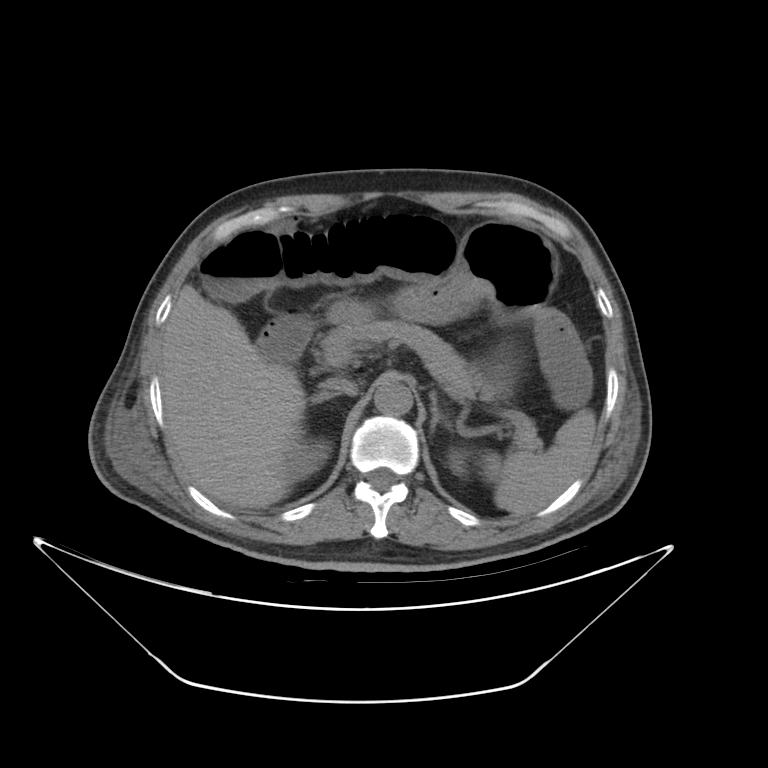
CT, abdomen/pelvis · axial view · W/L 400/40 HU · 66-year-old male patient · acquired on Brilliance16 · scan has 15 labeled organs (a whole-scan count: organs this slice does not pass through have no box)
Each box given as x1,y1,x2,y2.
Organ bounding boxes:
- spleen: x1=482, y1=412, x2=597, y2=515
- right kidney: x1=285, y1=436, x2=330, y2=477
- left kidney: x1=449, y1=448, x2=468, y2=477
- liver: x1=161, y1=285, x2=307, y2=510
- stomach: x1=396, y1=221, x2=558, y2=399
- aorta: x1=373, y1=383, x2=413, y2=415
- inferior vena cava: x1=317, y1=378, x2=357, y2=395
- pancreas: x1=321, y1=319, x2=543, y2=451
- right adrenal gland: x1=308, y1=391, x2=337, y2=402
- left adrenal gland: x1=430, y1=391, x2=453, y2=437
- duodenum: x1=256, y1=315, x2=312, y2=363